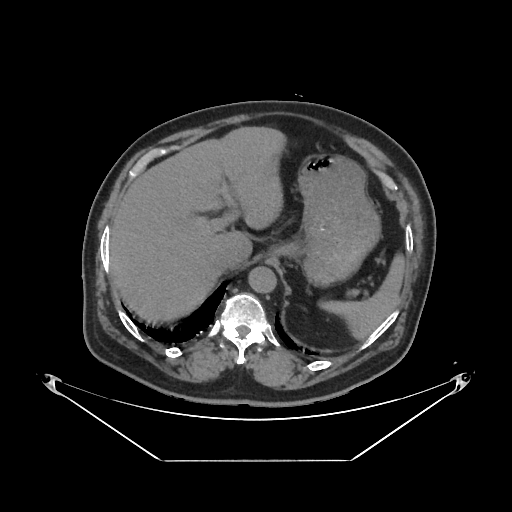 CT, abdomen/pelvis — axial view — 512x512 px — 15 organs annotated in this scan (that count is for the whole scan; organs this slice misses have no box)
<organs><organ name="spleen" x1="318" y1="253" x2="404" y2="339"/><organ name="liver" x1="109" y1="127" x2="286" y2="321"/><organ name="stomach" x1="271" y1="154" x2="380" y2="286"/><organ name="aorta" x1="248" y1="266" x2="276" y2="292"/><organ name="inferior vena cava" x1="213" y1="254" x2="237" y2="273"/></organs>